Computed tomography, abdomen — axial plane, index 157
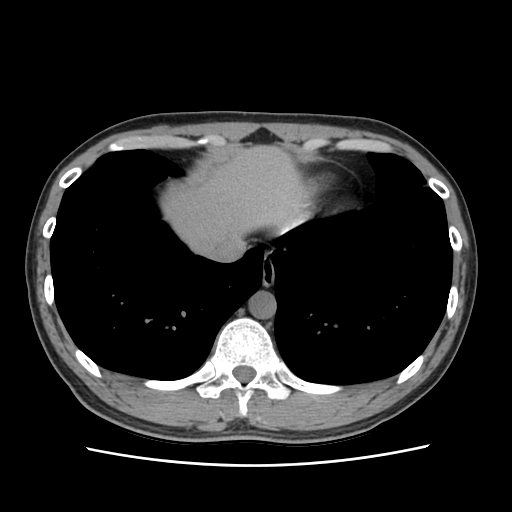
Box edges are left/top/right/bottom in pixels.
esophagus: left=261, top=262, right=274, bottom=287
liver: left=166, top=145, right=308, bottom=250
aorta: left=249, top=291, right=277, bottom=319
inferior vena cava: left=201, top=232, right=245, bottom=261